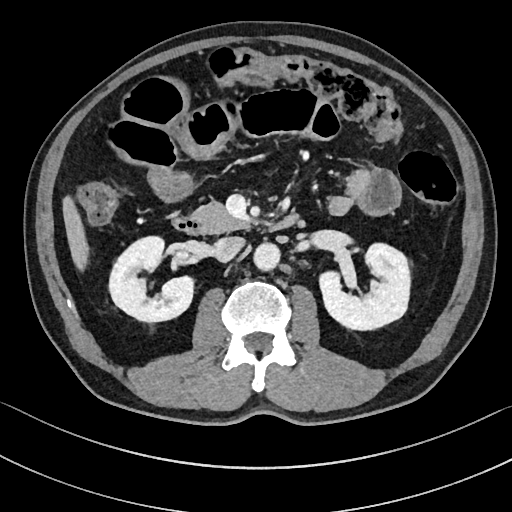

Abdominal CT; axial view; soft-tissue window (W 400 / L 40); 15 organs annotated in this scan (counted over the whole 3D scan, not this slice; an organ is boxed only where this slice passes through it)
Boxes are (x1, y1, x2, y2) in pixels. 7 labeled organs on this slice — pancreas at (190, 202, 248, 232); inferior vena cava at (212, 236, 244, 261); liver at (63, 196, 88, 271); right kidney at (109, 237, 195, 322); aorta at (253, 242, 280, 272); duodenum at (173, 213, 299, 235); left kidney at (318, 243, 410, 331).